CT of the abdomen reaching into the lower chest, slice just above the liver and spleen; axial view; 512x512 px; 14 organs annotated in this scan (counted over the whole 3D scan, not this slice; an organ is boxed only where this slice passes through it)
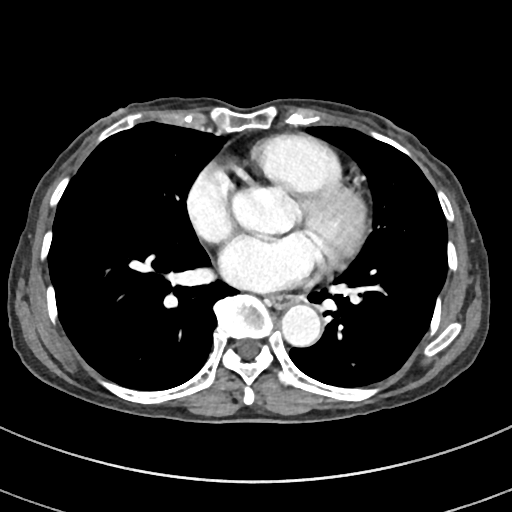
No part of the heart or lungs is labeled in this dataset, so neither has a box here.
<organs><organ name="esophagus" x1="270" y1="294" x2="295" y2="307"/><organ name="aorta" x1="232" y1="188" x2="296" y2="234"/><organ name="aorta" x1="281" y1="304" x2="321" y2="347"/></organs>